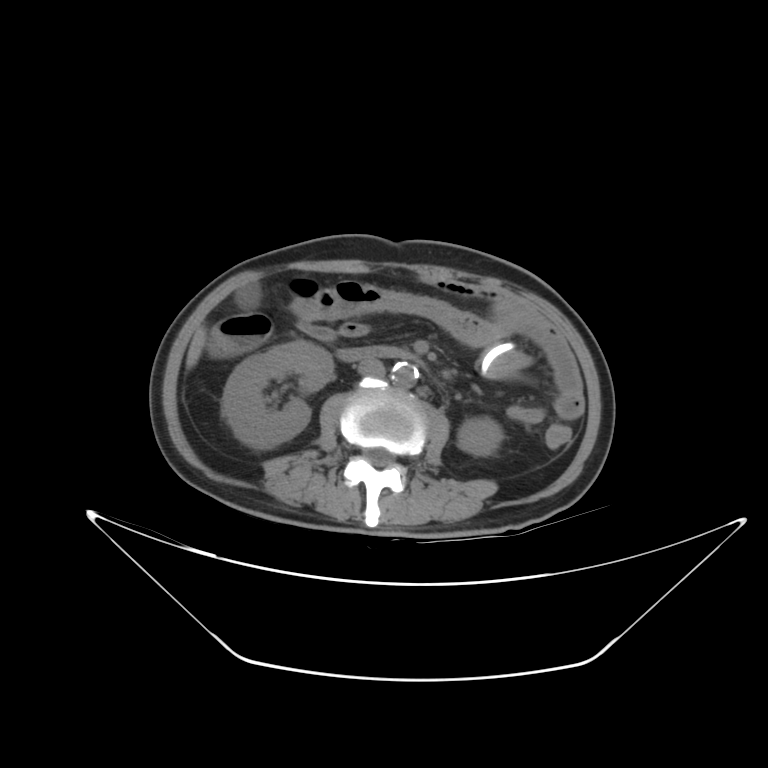

Computed tomography, abdomen · axial view · W/L 400/40 HU · 15 organs annotated in this scan (a whole-scan count: organs this slice does not pass through have no box)
{"organs":{"right kidney":[222,340,333,449],"left kidney":[457,417,502,455],"gall bladder":[237,285,259,307],"liver":[186,328,205,368],"aorta":[390,362,418,388],"inferior vena cava":[358,359,385,377],"duodenum":[337,347,414,360]}}